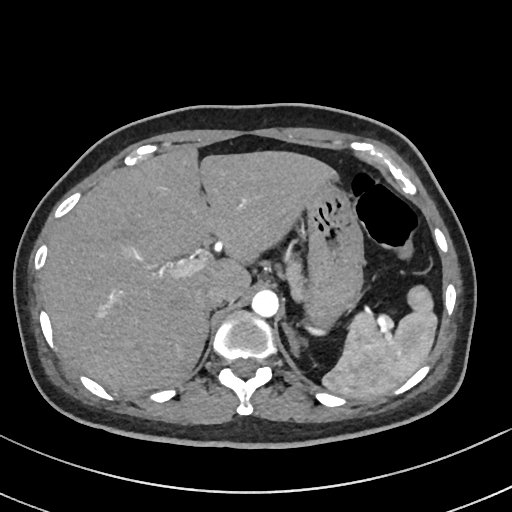
CT abdomen; Axial slice 159/191; acquired on SOMATOM Force; scan has 15 labeled organs (a whole-scan count: organs this slice does not pass through have no box)
Each box given as x1,y1,x2,y2.
Organ bounding boxes:
- spleen: x1=322, y1=286, x2=436, y2=399
- liver: x1=43, y1=146, x2=337, y2=396
- stomach: x1=304, y1=185, x2=363, y2=326
- aorta: x1=251, y1=291, x2=278, y2=318
- inferior vena cava: x1=195, y1=284, x2=224, y2=310
- pancreas: x1=286, y1=262, x2=305, y2=300
- left adrenal gland: x1=283, y1=326, x2=305, y2=359